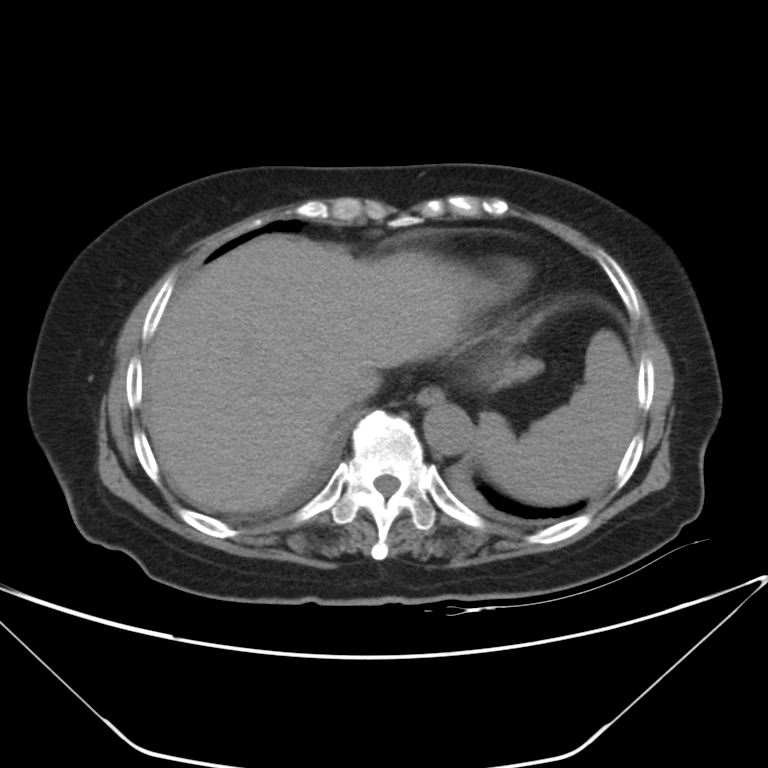

Abdominal CT — axial view — soft-tissue window (W 400 / L 40)
One row per box, in pixels: columns x1 and y1 give the top-left corner, x2 and y2 the bottom-right.
| organ | x1 | y1 | x2 | y2 |
|---|---|---|---|---|
| spleen | 476 | 330 | 635 | 505 |
| esophagus | 414 | 386 | 444 | 406 |
| liver | 144 | 236 | 541 | 513 |
| aorta | 423 | 403 | 473 | 455 |
| inferior vena cava | 340 | 367 | 380 | 404 |